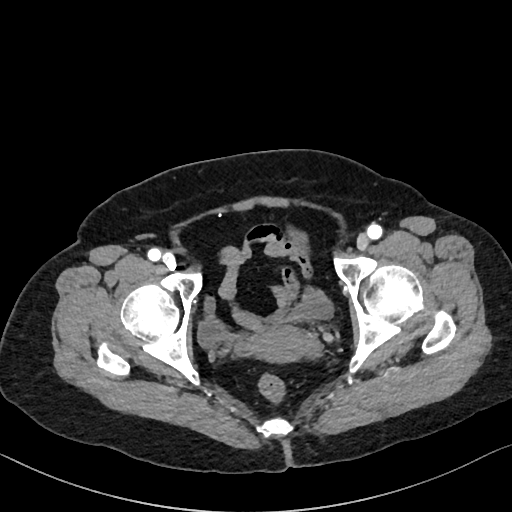 Computed tomography, abdomen · axial view · 512x512 px
Bounding boxes as [x1, y1, x2, y2] in pixel coordinates.
Organ bounding boxes:
- bladder: [198, 291, 332, 346]
- prostate/uterus: [251, 325, 315, 362]